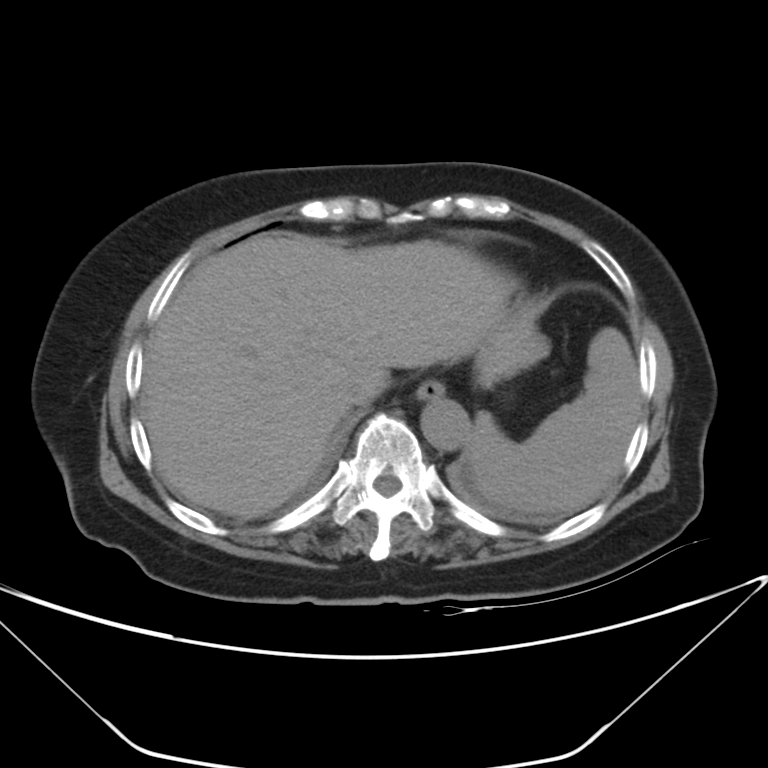

CT, abdomen/pelvis — axial view — soft-tissue window
Boxes: x1 y1 x2 y2 (pixel coords, space-separated).
Organ bounding boxes:
- spleen: 463 327 639 517
- esophagus: 415 380 444 401
- liver: 141 234 550 518
- aorta: 420 398 470 450
- inferior vena cava: 337 374 374 406